Abdominal CT — axial view — 512x512 px — acquired on SOMATOM Force
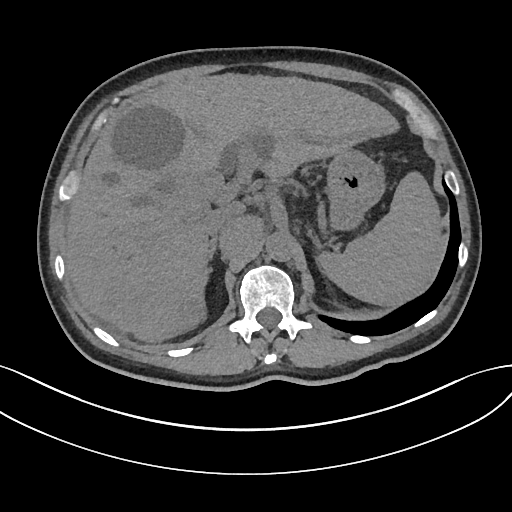
Each box given as x1,y1,x2,y2.
Organ bounding boxes:
- spleen: x1=317, y1=171, x2=446, y2=306
- liver: x1=65, y1=73, x2=399, y2=341
- stomach: x1=326, y1=147, x2=384, y2=230
- aorta: x1=266, y1=231, x2=294, y2=261
- inferior vena cava: x1=203, y1=206, x2=233, y2=237
- right adrenal gland: x1=209, y1=238, x2=216, y2=259
- left adrenal gland: x1=309, y1=231, x2=322, y2=249